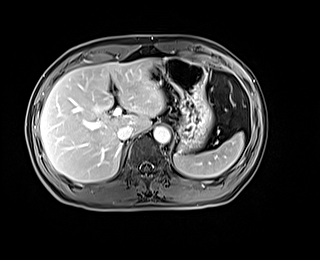 MRI, abdomen; axial view; Prisma scanner
One row per box, in pixels: columns x1 and y1 give the top-left corner, x2 and y2 the bottom-right.
| organ | x1 | y1 | x2 | y2 |
|---|---|---|---|---|
| spleen | 173 | 132 | 244 | 177 |
| liver | 40 | 58 | 165 | 182 |
| stomach | 151 | 57 | 212 | 152 |
| aorta | 153 | 126 | 170 | 143 |
| inferior vena cava | 117 | 125 | 133 | 140 |